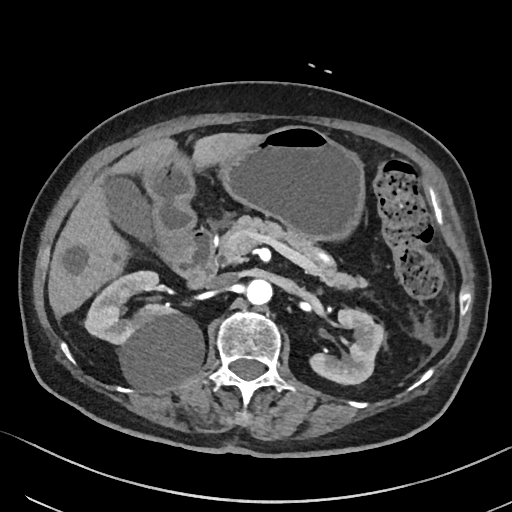
Abdominal CT; axial plane, index 160; abdomen soft-tissue window; scan has 15 labeled organs (counted over the whole 3D scan, not this slice; an organ is boxed only where this slice passes through it)
Each box given as x1,y1,x2,y2. 9 labeled organs on this slice — right kidney at x1=85, y1=271, x2=203, y2=388; left kidney at x1=310, y1=309, x2=384, y2=384; gall bladder at x1=101, y1=174, x2=154, y2=243; liver at x1=48, y1=132, x2=261, y2=317; stomach at x1=143, y1=125, x2=364, y2=263; aorta at x1=246, y1=279, x2=272, y2=305; inferior vena cava at x1=208, y1=273, x2=237, y2=290; pancreas at x1=216, y1=215, x2=367, y2=289; duodenum at x1=158, y1=228, x2=216, y2=288.